CT, abdomen/pelvis · axial view · scan has 15 labeled organs (a whole-scan count: organs this slice does not pass through have no box)
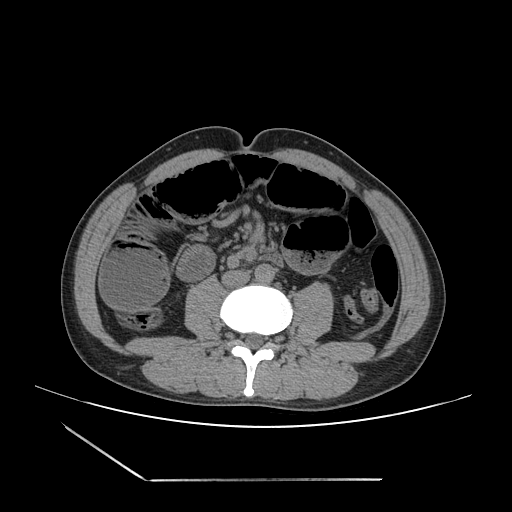 Coordinates as <box>x1,y1,x2,y2</box> in pixels.
aorta: <box>254,263,274,283</box>
inferior vena cava: <box>221,270,249,288</box>